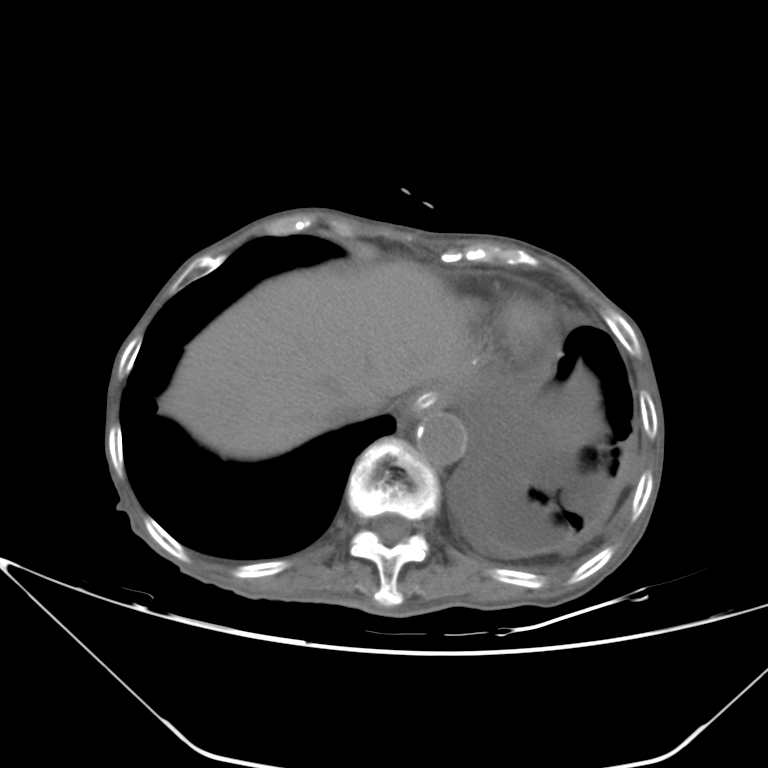

Abdominal CT; axial view; 768x768 px; 80-year-old female patient; 14 organs annotated in this scan (that count is for the whole scan; organs this slice misses have no box)
{"organs":{"stomach":[411,389,450,409],"inferior vena cava":[323,400,382,424],"liver":[159,260,471,458],"aorta":[416,411,467,464],"esophagus":[403,397,428,420]}}